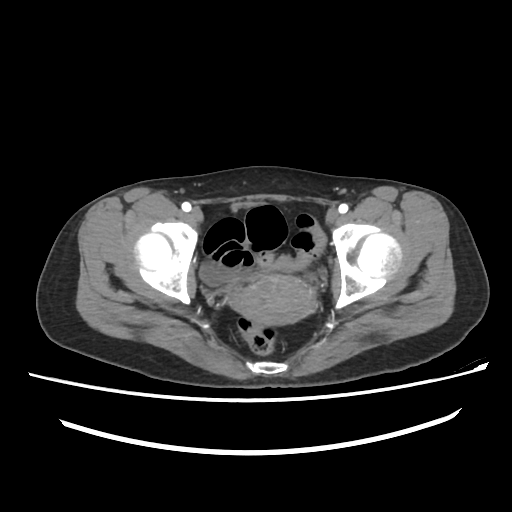
Computed tomography, abdomen; Axial slice 20/123
Coordinates as <box>x1,y1,x2,y2</box> in pixels.
Organ bounding boxes:
- bladder: <box>199,263,234,285</box>
- prostate/uterus: <box>233,274,311,324</box>